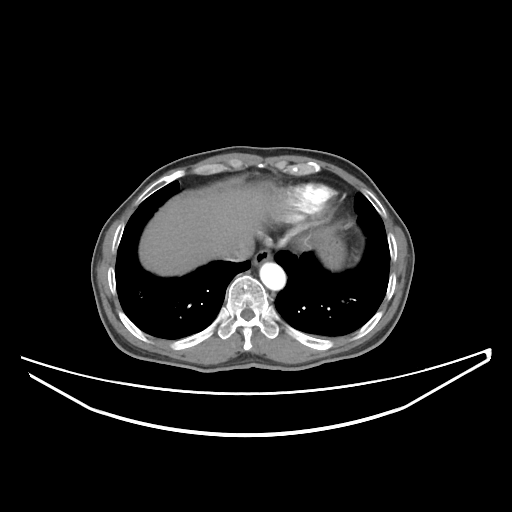 CT abdomen. axial view. W/L 400/40 HU
{"organs":{"esophagus":[253,250,272,266],"liver":[139,184,277,275],"stomach":[316,228,345,269],"aorta":[260,262,285,290],"inferior vena cava":[218,248,252,261]}}